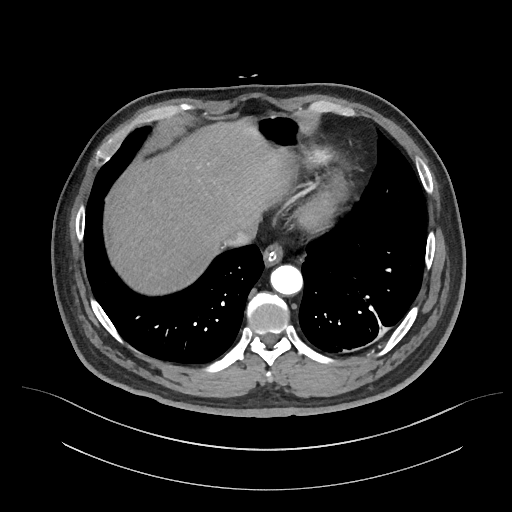
Abdominal CT. Axial slice 221/333. W/L 400/40 HU
Coordinates as <box>x1,y1,x2,y2</box> in pixels.
esophagus: <box>262,245,282,268</box>
liver: <box>106,121,289,295</box>
stomach: <box>261,119,291,138</box>
aorta: <box>271,265,303,295</box>
inferior vena cava: <box>223,222,257,246</box>